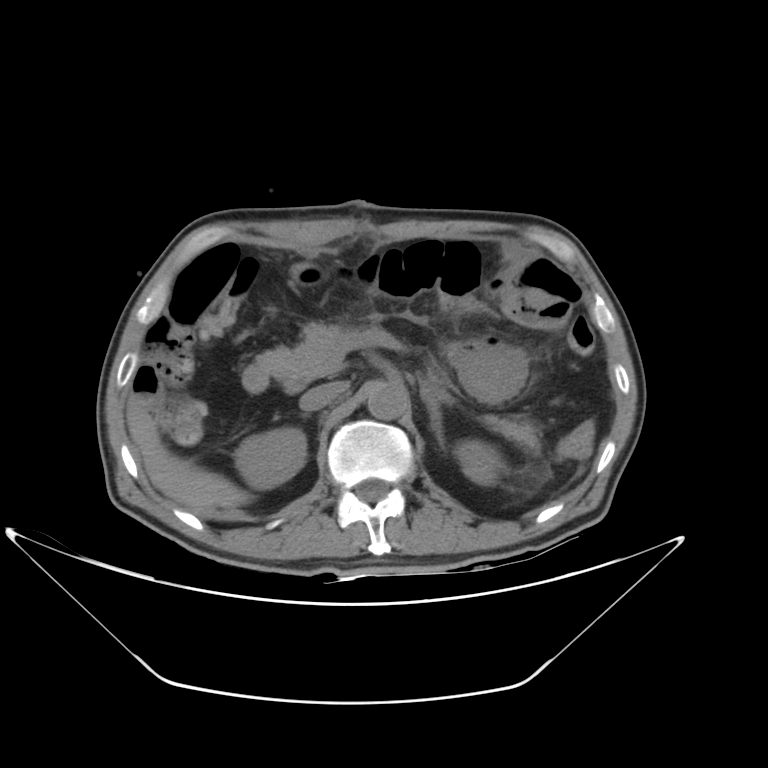 Abdominal CT · Axial slice 71/104 · abdomen soft-tissue window · 768x768 px · 65-year-old male patient · scan has 15 labeled organs (counted over the whole 3D scan, not this slice; an organ is boxed only where this slice passes through it)
Boxes: x1:y1:x2:y2 in pixels.
Organ bounding boxes:
- right kidney: 234:427:305:490
- left kidney: 454:440:504:485
- liver: 126:394:252:513
- stomach: 447:344:528:405
- aorta: 367:381:407:420
- inferior vena cava: 300:383:344:411
- pancreas: 255:323:539:453
- right adrenal gland: 303:415:307:416
- left adrenal gland: 421:384:452:447
- duodenum: 242:362:269:392